Computed tomography, abdomen; axial view; 58-year-old male patient
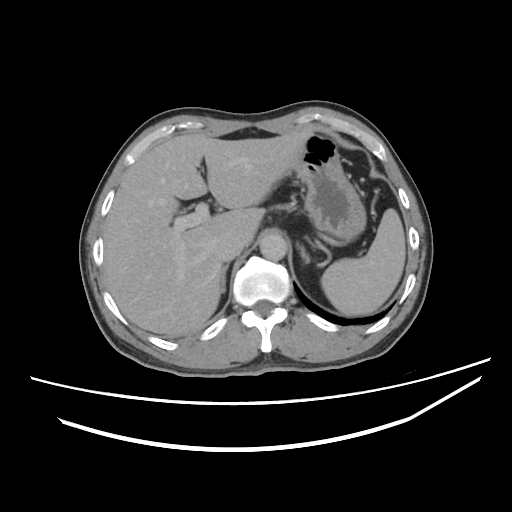 Boxes: x1 y1 x2 y2 (pixel coords, space-separated).
Organ bounding boxes:
- spleen: 322 207 405 315
- liver: 104 133 309 336
- stomach: 293 131 366 242
- aorta: 260 234 288 261
- inferior vena cava: 210 233 244 261
- right adrenal gland: 220 263 231 295
- left adrenal gland: 299 245 311 263